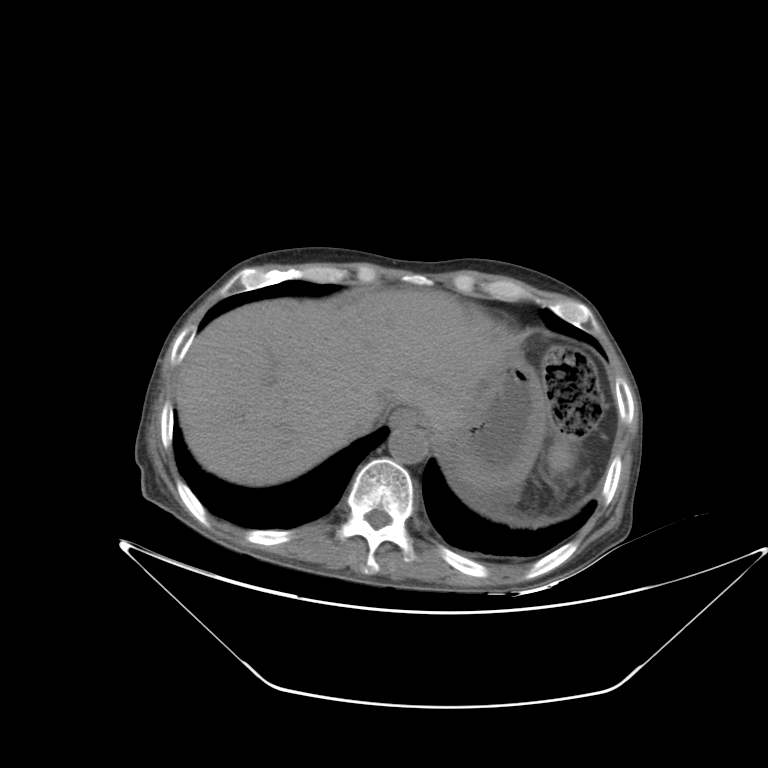 Abdominal CT · Axial slice 84/99 · W/L 400/40 HU · 56-year-old male patient · Brilliance16 scanner
Box edges are left/top/right/bottom in pixels.
esophagus: left=389, top=409, right=419, bottom=428
aorta: left=388, top=427, right=428, bottom=464
liver: left=175, top=289, right=516, bottom=486
stomach: left=432, top=351, right=550, bottom=488
spleen: left=549, top=442, right=573, bottom=471
inferior vena cava: left=341, top=405, right=382, bottom=437